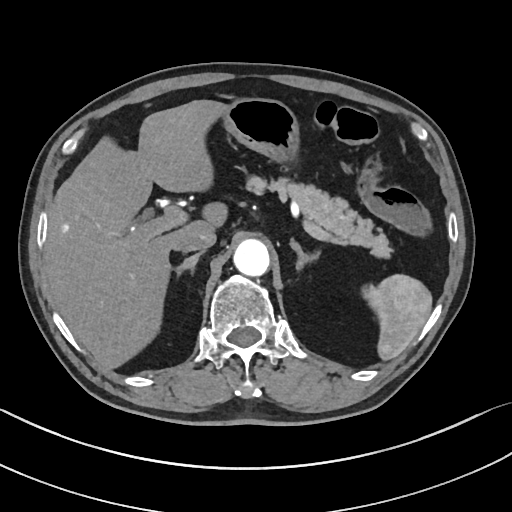

CT abdomen — axial view — soft-tissue window — 15 organs annotated in this scan (a whole-scan count: organs this slice does not pass through have no box)
Each box given as x1,y1,x2,y2.
spleen: x1=361, y1=274, x2=431, y2=359
liver: x1=44, y1=99, x2=227, y2=368
stomach: x1=220, y1=98, x2=299, y2=164
aorta: x1=233, y1=239, x2=269, y2=276
inferior vena cava: x1=174, y1=227, x2=216, y2=252
pancreas: x1=246, y1=175, x2=391, y2=257
right adrenal gland: x1=174, y1=252, x2=202, y2=277
left adrenal gland: x1=290, y1=238, x2=318, y2=270